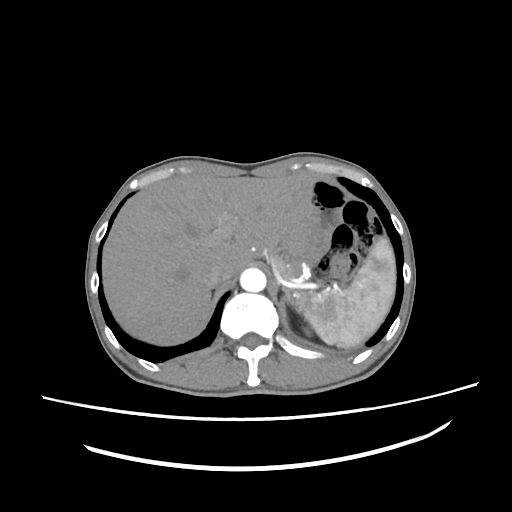
CT, abdomen/pelvis. Axial slice 77/133. 512x512 px
Boxes are (x1, y1, x2, y2) in pixels. 6 labeled organs on this slice — spleen at (297, 237, 396, 347); liver at (102, 171, 315, 345); aorta at (240, 268, 266, 292); inferior vena cava at (203, 262, 233, 287); pancreas at (270, 243, 287, 275); left adrenal gland at (281, 294, 294, 305).